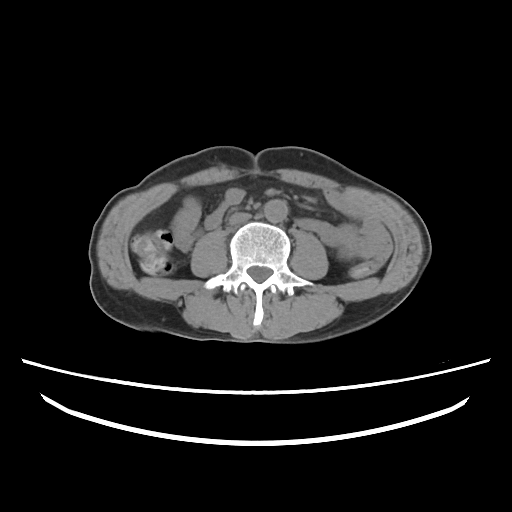 CT abdomen · Axial slice 53/90 · abdomen soft-tissue window · 512x512 px · 54-year-old male patient
Boxes: x1:y1:x2:y2 in pixels.
Organ bounding boxes:
- aorta: 264:199:287:222
- inferior vena cava: 229:212:251:223